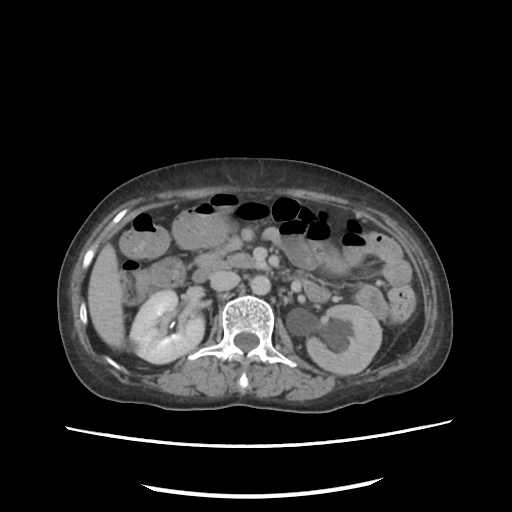 CT, abdomen/pelvis; axial view; 52-year-old female patient
<organs><organ name="pancreas" x1="225" y1="253" x2="259" y2="268"/><organ name="liver" x1="88" y1="244" x2="124" y2="348"/><organ name="duodenum" x1="192" y1="261" x2="227" y2="282"/><organ name="inferior vena cava" x1="210" y1="270" x2="239" y2="291"/><organ name="right kidney" x1="130" y1="290" x2="204" y2="363"/><organ name="aorta" x1="250" y1="275" x2="270" y2="295"/><organ name="left kidney" x1="306" y1="305" x2="381" y2="374"/></organs>